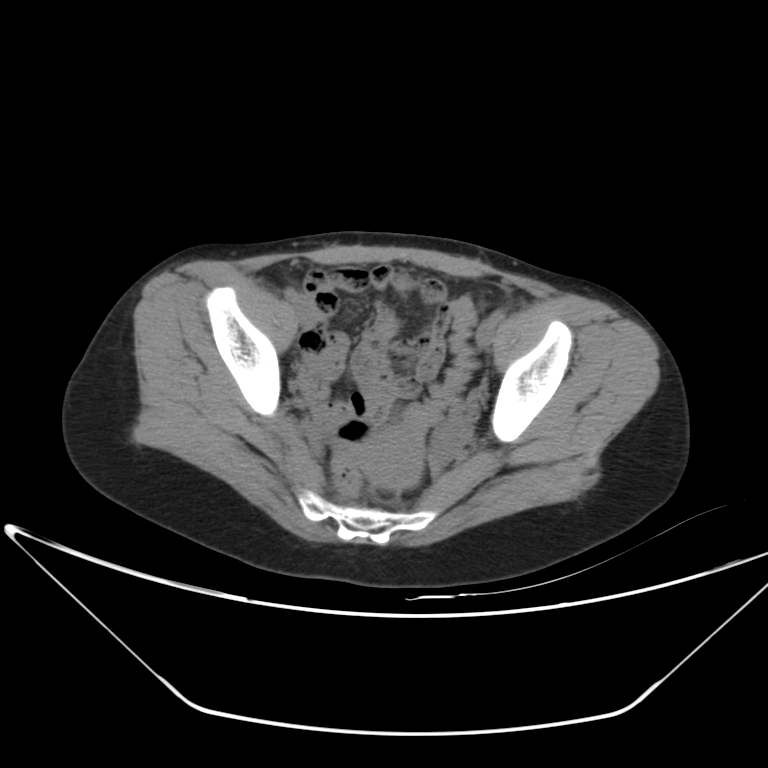
Abdominal CT — axial view — 28-year-old female patient
Each box given as x1,y1,x2,y2. Labeled organs on this slice: prostate/uterus at x1=358, y1=426, x2=422, y2=488.